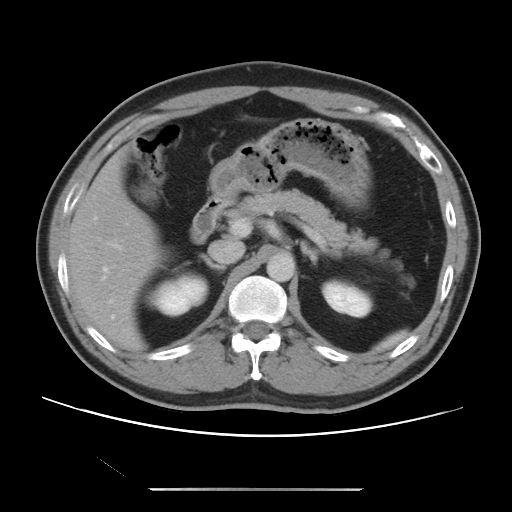
Abdominal CT; axial view; 15 organs annotated in this scan (counted over the whole 3D scan, not this slice; an organ is boxed only where this slice passes through it)
Bounding boxes as [x1, y1, x2, y2] in pixel coordinates. Labeled organs on this slice: spleen at [374, 330, 408, 351], right kidney at [147, 273, 207, 315], left kidney at [322, 280, 371, 317], gall bladder at [135, 184, 156, 201], liver at [67, 143, 163, 351], stomach at [209, 118, 368, 204], aorta at [266, 252, 295, 281], inferior vena cava at [208, 239, 245, 264], pancreas at [226, 189, 389, 258], right adrenal gland at [202, 256, 225, 270], left adrenal gland at [300, 241, 318, 264], duodenum at [191, 196, 227, 243].